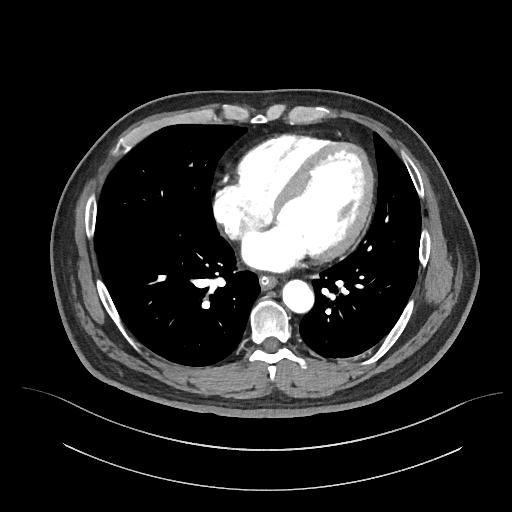

CT of the abdomen reaching into the lower chest, slice just above the liver and spleen — axial view — soft-tissue window (W 400 / L 40)
The heart and lungs are never labeled in this dataset, so they have no box on this slice.
<organs><organ name="esophagus" x1="259" y1="277" x2="276" y2="290"/><organ name="aorta" x1="283" y1="281" x2="314" y2="314"/></organs>